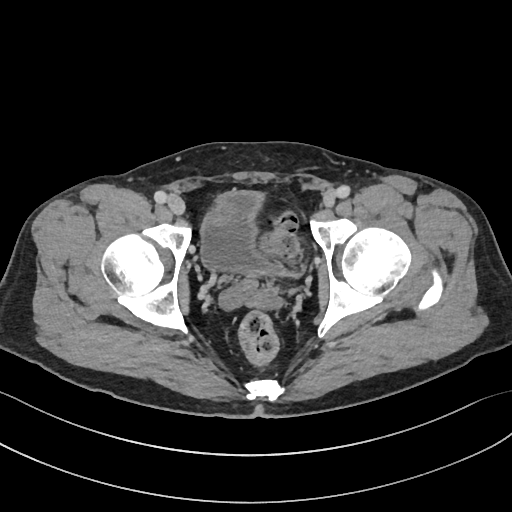 Computed tomography, abdomen. Axial slice 39/230. abdomen soft-tissue window. 512x512 px
Boxes: x1 y1 x2 y2 (pixel coords, space-separated).
Organ bounding boxes:
- bladder: 201 191 300 277